Computed tomography, abdomen — axial view — 512x512 px — acquired on SOMATOM Force
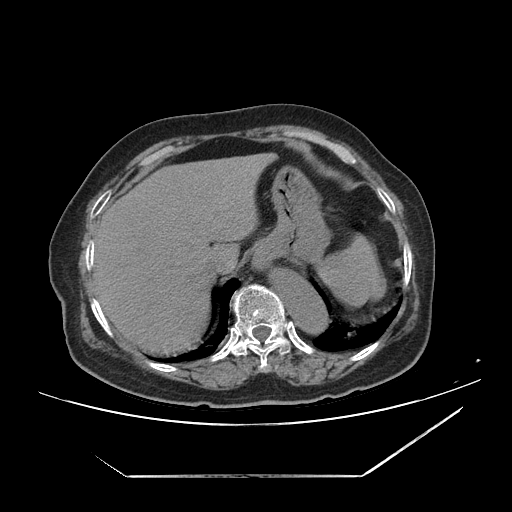
Coordinates as <box>x1,y1,x2,y2</box> in pixels.
liver: <box>93,152,277,354</box>
inferior vena cava: <box>204,249,236,274</box>
stomach: <box>253,165,330,266</box>
spleen: <box>317,234,385,307</box>
aorta: <box>268,269,327,333</box>
esophagus: <box>252,257,267,270</box>